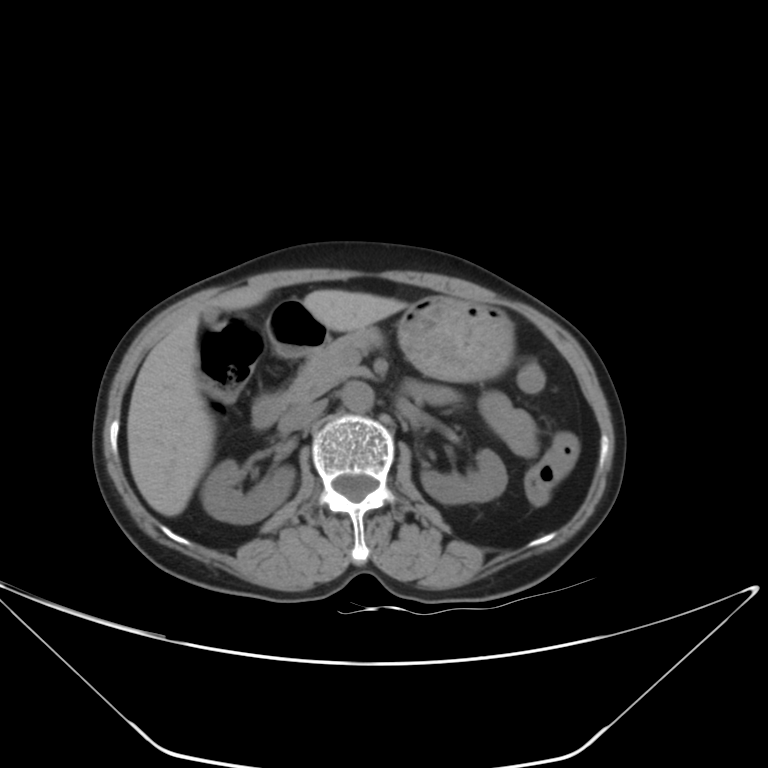 Abdominal CT; axial plane, index 57; acquired on Brilliance16; scan has 15 labeled organs (counted over the whole 3D scan, not this slice; an organ is boxed only where this slice passes through it)
Boxes: x1:y1:x2:y2 in pixels.
right kidney: 200:459:295:524
left kidney: 421:449:508:503
gall bladder: 204:309:216:323
liver: 127:289:406:516
stomach: 268:297:513:381
aorta: 341:382:374:411
inferior vena cava: 284:401:325:430
pancreas: 281:327:380:406
duodenum: 252:395:289:427